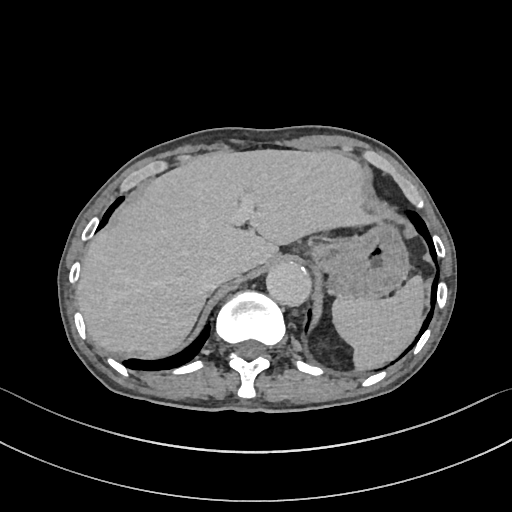
CT, abdomen/pelvis. axial view. 512x512 px. scan has 15 labeled organs (that count is for the whole scan; organs this slice misses have no box)
{"organs":{"spleen":[331,273,426,371],"liver":[76,149,377,359],"stomach":[310,219,410,297],"aorta":[266,261,310,305],"inferior vena cava":[200,257,237,290]}}